Abdominal CT; Axial slice 49/123; soft-tissue window; 45-year-old female patient
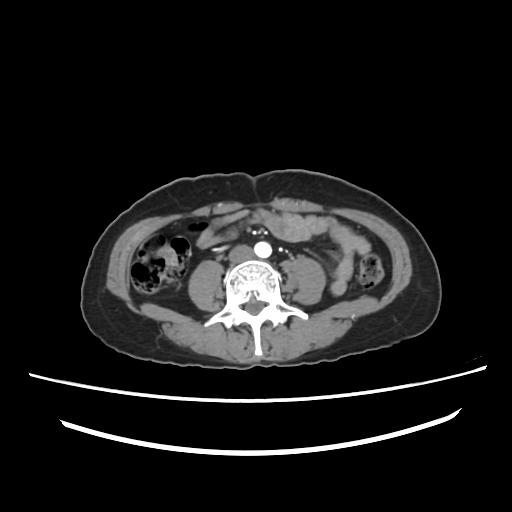
Coordinates as <box>x1,y1,x2,y2</box> in pixels.
Organ bounding boxes:
- aorta: <box>254,242,271,257</box>
- inferior vena cava: <box>228,245,253,262</box>